Abdominal CT reaching into the chest; this slice is in the chest. axial plane, index 98. scan has 15 labeled organs (a whole-scan count: organs this slice does not pass through have no box)
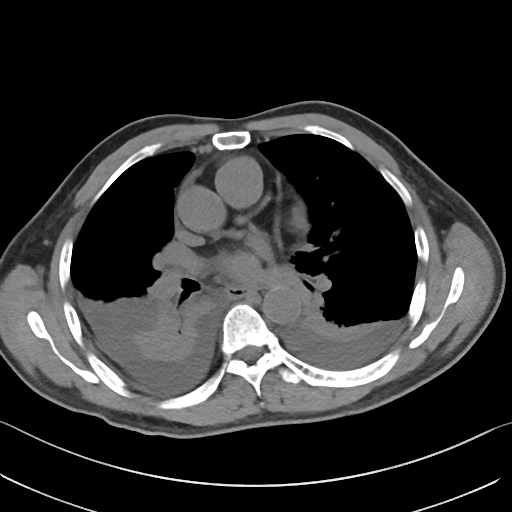

On a slice this high in the chest, this dataset labels only the esophagus and the aorta, and each is boxed only where it is labeled; the heart, lungs and other chest structures are not labeled. Box edges are left/top/right/bottom in pixels. The annotated organs in this slice are: esophagus at left=227, top=288, right=247, bottom=297, aorta at left=262, top=286, right=301, bottom=324.